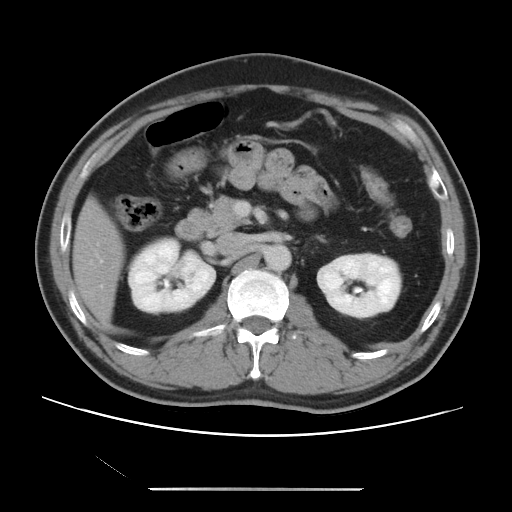

CT, abdomen/pelvis. axial view. 512x512 px
Boxes: x1:y1:x2:y2 in pixels.
left adrenal gland: 318:237:323:241
left kidney: 317:253:401:317
aorta: 264:244:291:271
duodenum: 175:217:204:240
right kidney: 128:238:215:313
inferior vena cava: 216:233:247:255
liver: 72:195:124:331
pancreas: 189:195:249:235